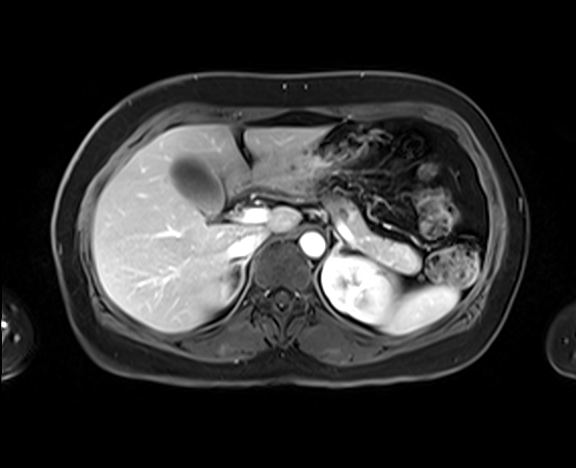

Magnetic resonance imaging, abdomen · axial view · 576x468 px
Bounding boxes in pixels, one row per box: x1, y1 is the top-left corner and x2, y2 the bottom-right.
| organ | x1 | y1 | x2 | y2 |
|---|---|---|---|---|
| spleen | 380 | 284 | 458 | 334 |
| right kidney | 206 | 278 | 238 | 309 |
| left kidney | 322 | 255 | 394 | 323 |
| gall bladder | 171 | 155 | 223 | 214 |
| liver | 92 | 124 | 328 | 332 |
| stomach | 254 | 125 | 366 | 187 |
| aorta | 299 | 231 | 325 | 257 |
| inferior vena cava | 228 | 229 | 268 | 258 |
| pancreas | 326 | 198 | 420 | 273 |
| right adrenal gland | 230 | 257 | 249 | 289 |
| left adrenal gland | 331 | 236 | 343 | 254 |
| duodenum | 232 | 174 | 257 | 190 |